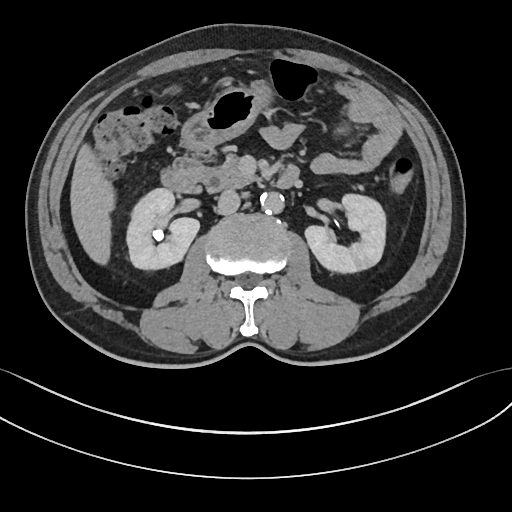

Computed tomography, abdomen; axial view; abdomen soft-tissue window
Each box given as x1,y1,x2,y2. The annotated organs in this slice are: right kidney at x1=126, y1=188, x2=199, y2=269, left kidney at x1=305, y1=194, x2=386, y2=272, gall bladder at x1=167, y1=86, x2=179, y2=93, liver at x1=70, y1=145, x2=115, y2=264, stomach at x1=181, y1=81, x2=272, y2=152, aorta at x1=260, y1=191, x2=284, y2=214, inferior vena cava at x1=217, y1=189, x2=240, y2=214, pancreas at x1=203, y1=155, x2=258, y2=190, duodenum at x1=161, y1=157, x2=299, y2=192.